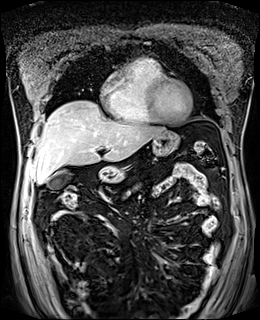 MRI, abdomen — coronal view — 1st–99th percentile window
Box edges are left/top/right/bottom in pixels. Labeled organs on this slice: gall bladder at left=47, top=170, right=71, bottom=189, liver at left=33, top=100, right=165, bottom=184, stomach at left=98, top=130, right=179, bottom=182, pancreas at left=126, top=186, right=137, bottom=195.